Computed tomography, abdomen — axial plane, index 139
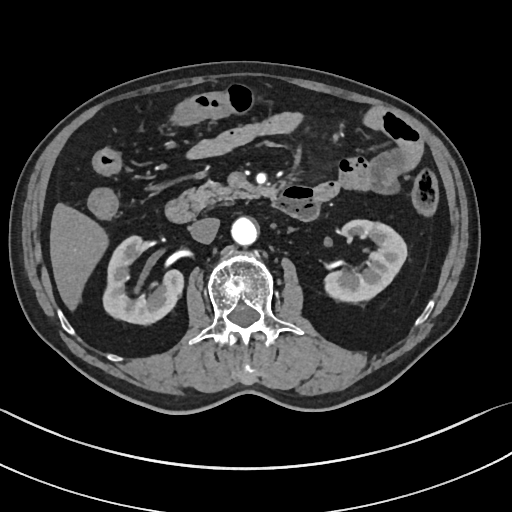

Coordinates as <box>x1,y1,x2,y2</box> in pixels. 7 labeled organs on this slice — duodenum at <box>165,186,318,222</box>; inferior vena cava at <box>189,217,219,243</box>; right kidney at <box>102,236,183,324</box>; pancreas at <box>184,182,257,210</box>; liver at <box>50,203,108,310</box>; aorta at <box>231,217,257,245</box>; left kidney at <box>324,220,406,302</box>.